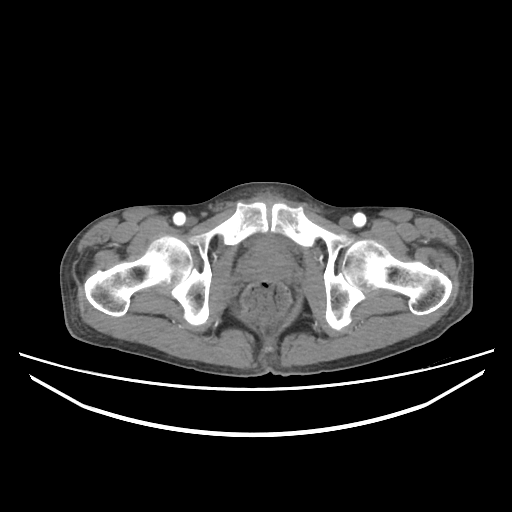

Computed tomography, abdomen. axial view. soft-tissue window. 50-year-old male patient. scan has 14 labeled organs (counted over the whole 3D scan, not this slice; an organ is boxed only where this slice passes through it)
Coordinates as <box>x1,y1,x2,y2</box> in pixels.
Organ bounding boxes:
- bladder: <box>257,239,283,248</box>
- prostate/uterus: <box>241,248,291,279</box>